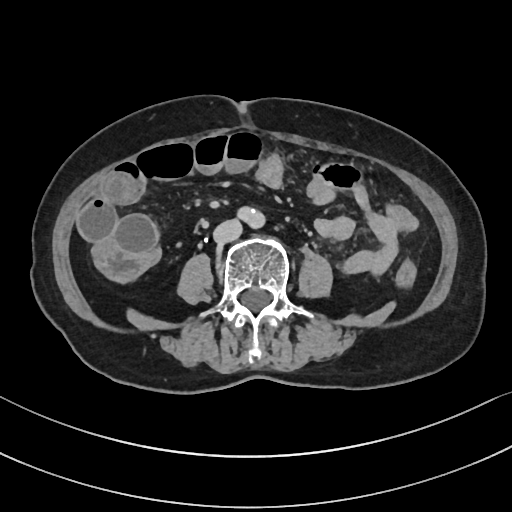
CT, abdomen/pelvis — Axial slice 103/212 — abdomen soft-tissue window — scan has 15 labeled organs (that count is for the whole scan; organs this slice misses have no box)
<organs><organ name="inferior vena cava" x1="213" y1="219" x2="242" y2="243"/><organ name="aorta" x1="240" y1="207" x2="266" y2="229"/></organs>